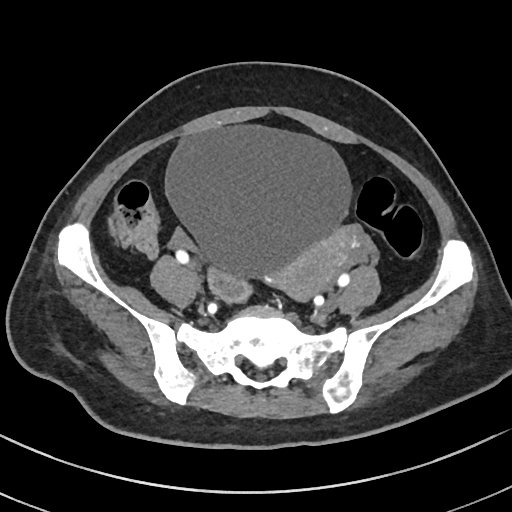 CT, abdomen/pelvis; axial view; 512x512 px; 15 organs annotated in this scan (counted over the whole 3D scan, not this slice; an organ is boxed only where this slice passes through it)
{"organs":{"bladder":[164,124,351,276],"prostate/uterus":[281,234,349,301]}}